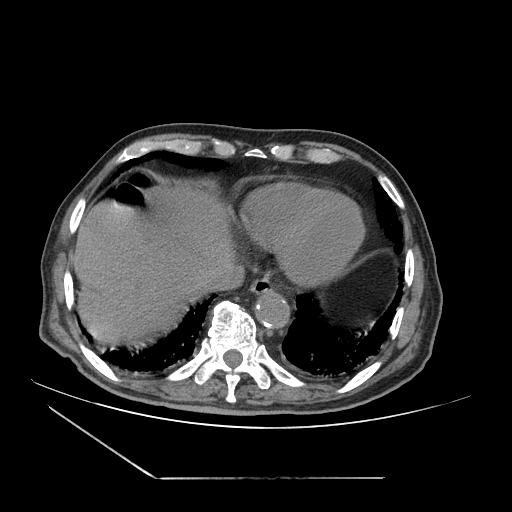
CT abdomen. Axial slice 164/187. soft-tissue window. 15 organs annotated in this scan (counted over the whole 3D scan, not this slice; an organ is boxed only where this slice passes through it)
One row per box, in pixels: columns x1 and y1 give the top-left corner, x2 and y2 the bottom-right.
| organ | x1 | y1 | x2 | y2 |
|---|---|---|---|---|
| esophagus | 249 | 279 | 273 | 296 |
| liver | 74 | 185 | 235 | 342 |
| aorta | 256 | 292 | 290 | 329 |
| inferior vena cava | 202 | 264 | 246 | 291 |